Abdominal CT; axial view; acquired on SOMATOM Force
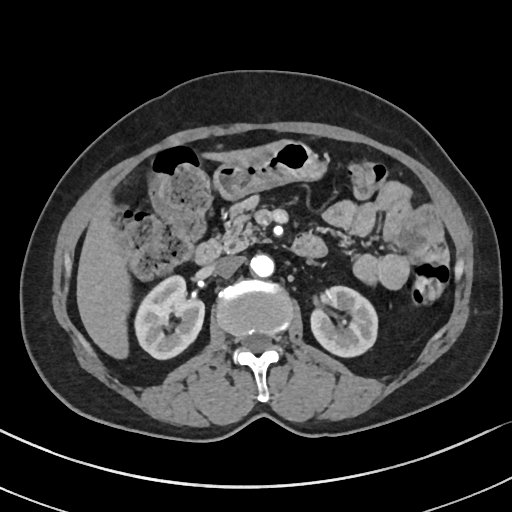 Coordinates as <box>x1,y1,x2,y2</box> in pixels. Labeled organs on this slice: right kidney at <box>136,273,204,358</box>, left kidney at <box>310,286,376,355</box>, liver at <box>76,143,273,357</box>, stomach at <box>213,140,323,198</box>, aorta at <box>249,253,273,276</box>, inferior vena cava at <box>213,255,244,277</box>, pancreas at <box>214,195,263,251</box>, duodenum at <box>194,234,326,263</box>.